Magnetic resonance imaging, abdomen; axial view; 1st–99th percentile window; 320x260 px; 13 organs annotated in this scan (a whole-scan count: organs this slice does not pass through have no box)
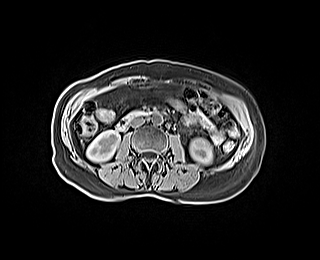 One row per box, in pixels: columns x1 and y1 give the top-left corner, x2 and y2 the bottom-right.
| organ | x1 | y1 | x2 | y2 |
|---|---|---|---|---|
| right kidney | 86 | 130 | 120 | 162 |
| left kidney | 190 | 138 | 212 | 164 |
| aorta | 151 | 114 | 162 | 125 |
| inferior vena cava | 131 | 117 | 144 | 127 |
| duodenum | 115 | 110 | 153 | 131 |